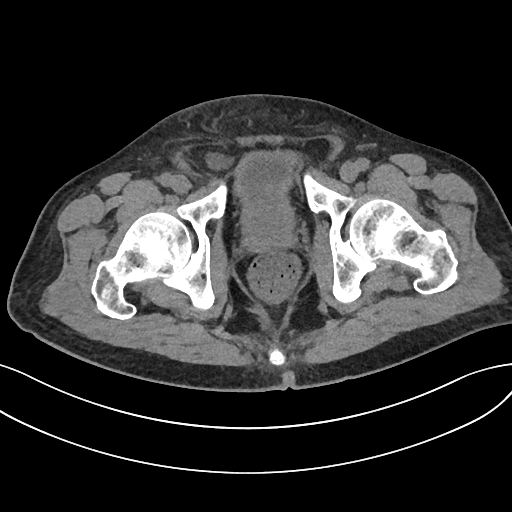

Computed tomography, abdomen; axial view
<organs><organ name="prostate/uterus" x1="245" y1="208" x2="291" y2="240"/><organ name="bladder" x1="235" y1="152" x2="297" y2="215"/></organs>